Chest-level CT slice, above the liver and spleen — axial view
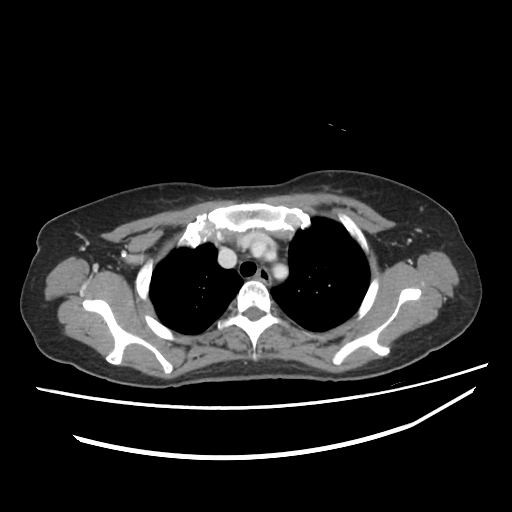 On a slice this high in the chest, this dataset labels only the esophagus and the aorta, and each is boxed only where it is labeled; the heart, lungs and other chest structures are not labeled.
Organ boxes in pixel coordinates; each row gives the top-left (x1, y1) and bottom-right (x2, y2) corners.
| organ | x1 | y1 | x2 | y2 |
|---|---|---|---|---|
| aorta | 273 | 265 | 287 | 277 |
| esophagus | 257 | 267 | 270 | 285 |